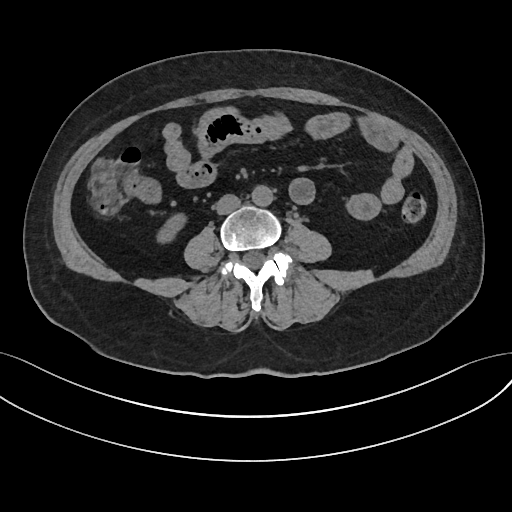

CT, abdomen/pelvis. axial view. 512x512 px. acquired on SOMATOM Force
Boxes: x1:y1:x2:y2 in pixels.
right kidney: 156:216:185:244
aorta: 251:185:272:206
inferior vena cava: 216:194:240:214